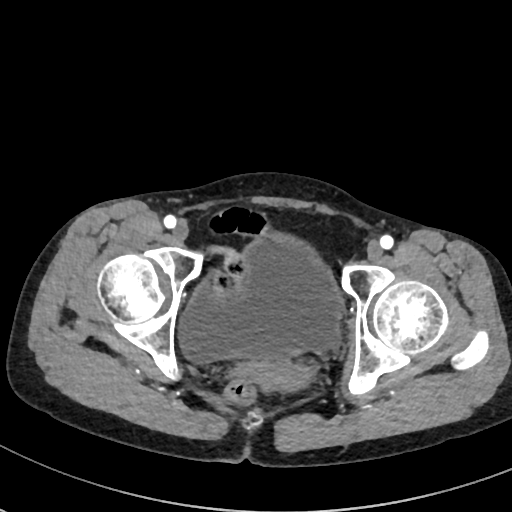
Abdominal CT. axial view. soft-tissue window
{"organs":{"prostate/uterus":[250,354,303,390],"bladder":[178,235,342,363]}}